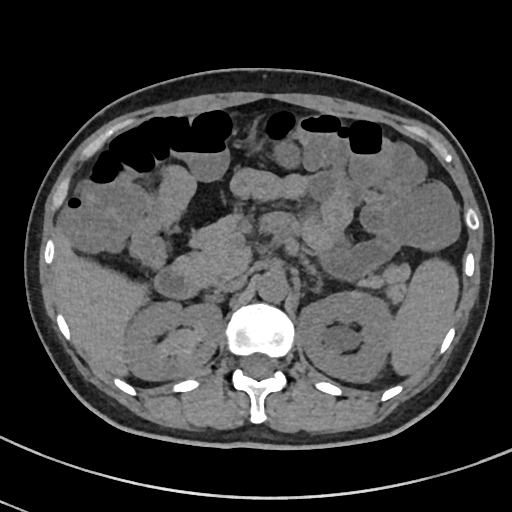 CT, abdomen/pelvis. axial view
Organ boxes in pixel coordinates; each row gives the top-left (x1, y1) and bottom-right (x2, y2) corners.
| organ | x1 | y1 | x2 | y2 |
|---|---|---|---|---|
| spleen | 389 | 259 | 459 | 375 |
| right kidney | 126 | 302 | 221 | 380 |
| left kidney | 297 | 292 | 391 | 382 |
| liver | 54 | 233 | 147 | 375 |
| stomach | 246 | 129 | 261 | 148 |
| aorta | 257 | 271 | 288 | 302 |
| inferior vena cava | 216 | 275 | 246 | 292 |
| pancreas | 175 | 215 | 409 | 302 |
| duodenum | 154 | 265 | 200 | 298 |